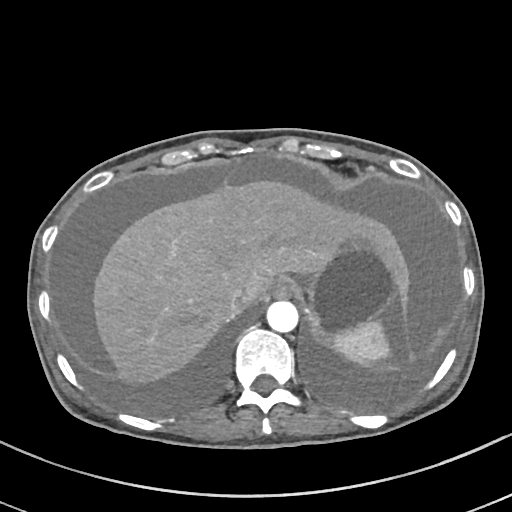

CT abdomen; axial view; acquired on SOMATOM Force
{"organs":{"spleen":[330,317,394,369],"esophagus":[272,279,296,297],"liver":[92,178,407,385],"stomach":[304,232,400,342],"aorta":[266,300,297,332],"inferior vena cava":[227,286,250,314]}}